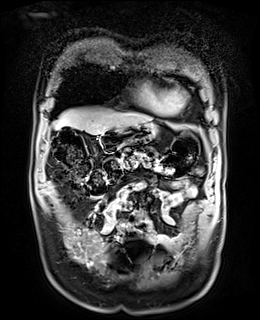

Magnetic resonance imaging, abdomen · coronal view · 260x320 px
Each box given as x1,y1,x2,y2.
Organ bounding boxes:
- liver: x1=55, y1=108, x2=151, y2=134
- stomach: x1=98, y1=122, x2=156, y2=151